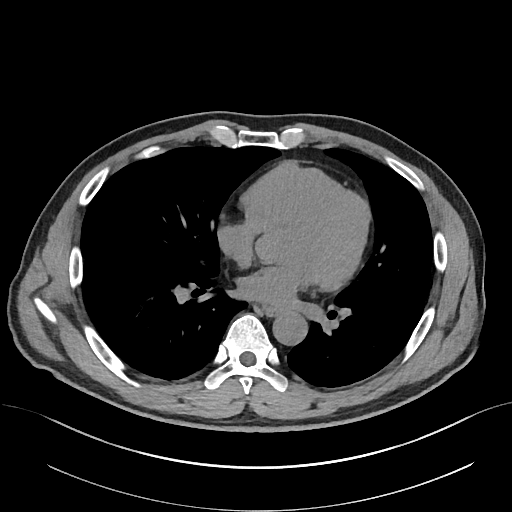

CT of the abdomen reaching into the lower chest, slice just above the liver and spleen. axial view. soft-tissue window (W 400 / L 40). SOMATOM Force scanner. scan has 15 labeled organs (that count is for the whole scan; organs this slice misses have no box)
Of the structures in the chest, this dataset labels only the esophagus, the aorta and the inferior vena cava; the heart and lungs have no label.
{"organs":{"esophagus":[262,307,277,315],"aorta":[272,312,307,345]}}